CT, abdomen/pelvis — axial plane, index 171 — abdomen soft-tissue window — 512x512 px — SOMATOM Force scanner
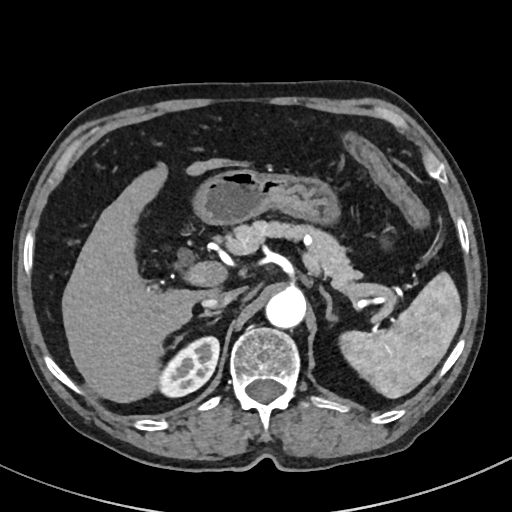

{"organs":{"spleen":[340,272,461,398],"right kidney":[158,336,219,397],"liver":[62,158,240,403],"stomach":[192,168,341,225],"aorta":[265,288,306,328],"inferior vena cava":[202,288,243,307],"pancreas":[226,220,362,282],"right adrenal gland":[200,310,221,317],"left adrenal gland":[319,286,336,321]}}